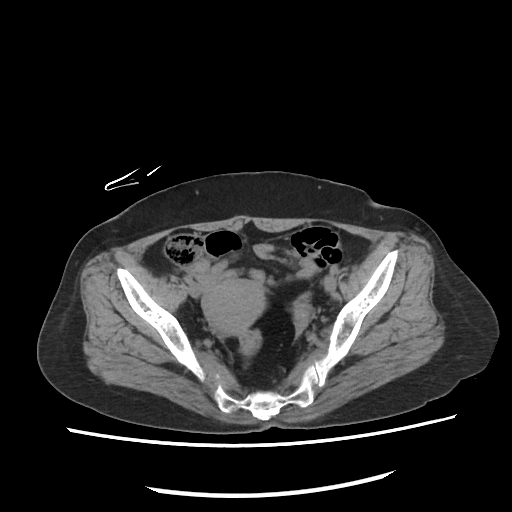

CT abdomen · axial view
Boxes are (x1, y1, x2, y2) in pixels.
prostate/uterus: (203, 277, 265, 335)